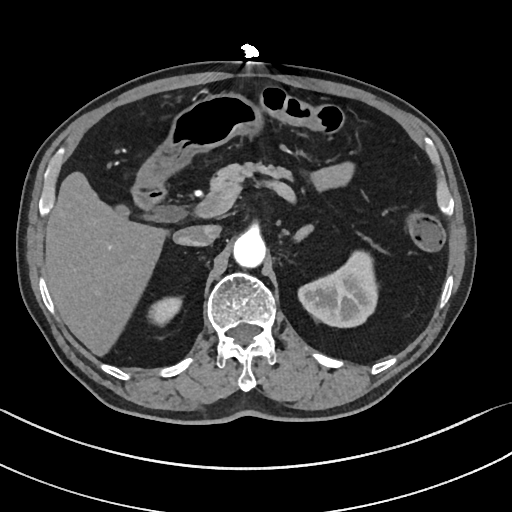 CT abdomen · axial view
One row per box, in pixels: columns x1 and y1 give the top-left corner, x2 and y2 the bottom-right.
| organ | x1 | y1 | x2 | y2 |
|---|---|---|---|---|
| right kidney | 151 | 296 | 182 | 322 |
| left kidney | 297 | 252 | 379 | 326 |
| gall bladder | 118 | 206 | 129 | 213 |
| liver | 45 | 172 | 166 | 354 |
| stomach | 136 | 93 | 260 | 183 |
| aorta | 233 | 231 | 265 | 266 |
| inferior vena cava | 173 | 224 | 219 | 246 |
| pancreas | 204 | 164 | 289 | 202 |
| left adrenal gland | 294 | 224 | 312 | 241 |
| duodenum | 132 | 180 | 169 | 210 |